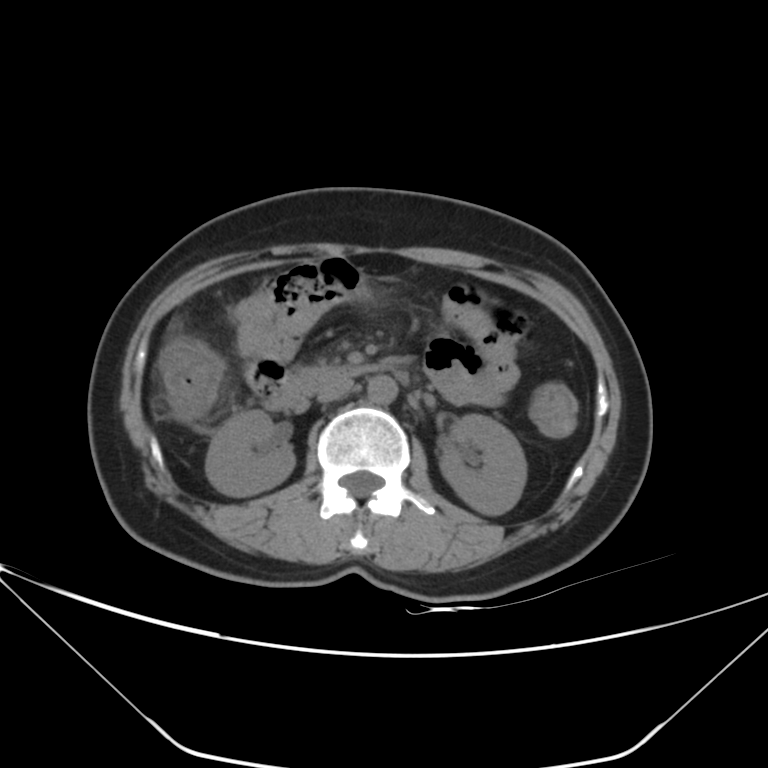
CT abdomen. axial plane, index 53. soft-tissue window
Boxes: x1 y1 x2 y2 (pixel coords, space-separated).
right kidney: 206 409 295 496
left kidney: 439 414 526 515
aorta: 368 375 397 403
inferior vena cava: 316 378 353 402
duodenum: 263 362 391 412